MRI, abdomen · Axial slice 45/72 · percentile-normalized · 576x468 px · 12 organs annotated in this scan (a whole-scan count: organs this slice does not pass through have no box)
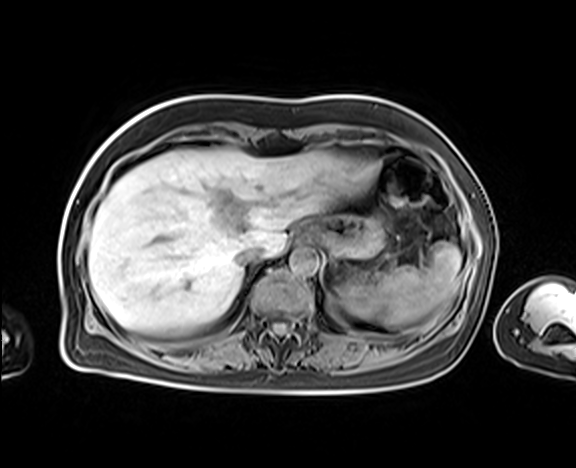

Each box given as x1,y1,x2,y2.
Organ bounding boxes:
- spleen: x1=354, y1=241, x2=461, y2=327
- liver: x1=88, y1=147, x2=379, y2=333
- stomach: x1=308, y1=216, x2=385, y2=258
- left kidney: x1=340, y1=284, x2=372, y2=316
- inferior vena cava: x1=237, y1=245, x2=263, y2=267
- aorta: x1=289, y1=247, x2=318, y2=274